CT of the abdomen extending into the chest, slice through the chest; axial plane, index 231; 512x512 px
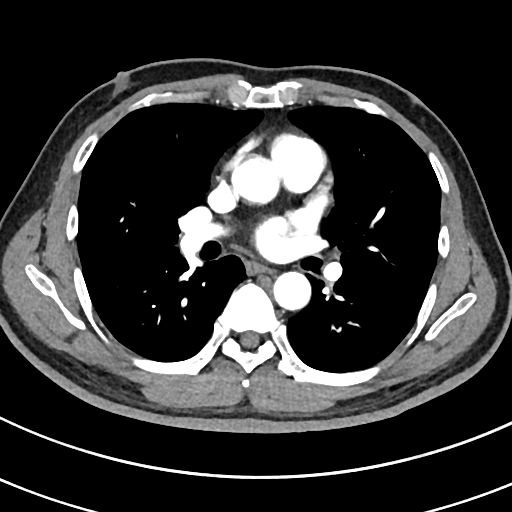

At this level of the chest this dataset labels only the esophagus and the aorta, and each is boxed only where it is labeled; the heart and lungs are never labeled.
Each box given as x1,y1,x2,y2.
esophagus: x1=248, y1=264, x2=271, y2=273
aorta: x1=233, y1=155, x2=281, y2=204
aorta: x1=273, y1=271, x2=311, y2=310